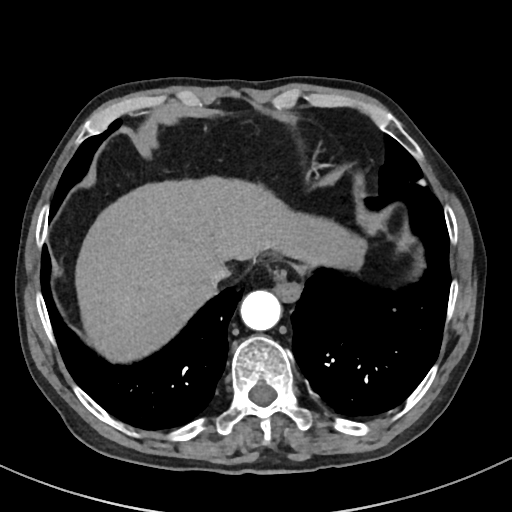
Computed tomography, abdomen. axial view
<organs><organ name="esophagus" x1="271" y1="264" x2="304" y2="302"/><organ name="liver" x1="75" y1="176" x2="365" y2="362"/><organ name="aorta" x1="241" y1="290" x2="281" y2="330"/><organ name="inferior vena cava" x1="208" y1="264" x2="230" y2="286"/></organs>